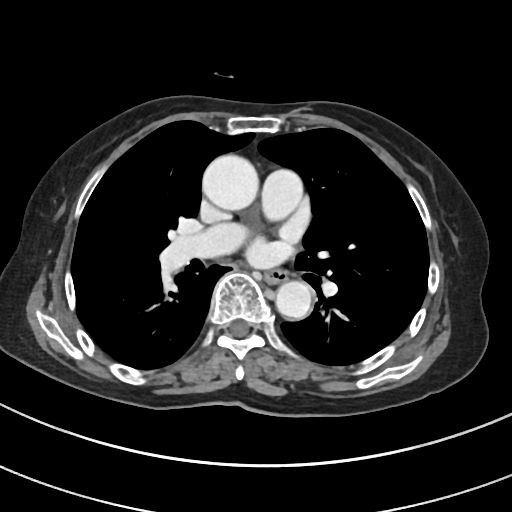

CT of the abdomen extending into the chest, slice through the chest; axial view; soft-tissue window (W 400 / L 40)
At this level of the chest no structure but the esophagus and the aorta has a label in this dataset, and those two are boxed only where they are labeled.
Bounding boxes in pixels, one row per box: x1, y1 is the top-left corner and x2, y2 the bottom-right.
| organ | x1 | y1 | x2 | y2 |
|---|---|---|---|---|
| aorta | 202 | 154 | 259 | 210 |
| aorta | 275 | 281 | 312 | 319 |
| esophagus | 264 | 270 | 287 | 283 |